Computed tomography, abdomen; axial view
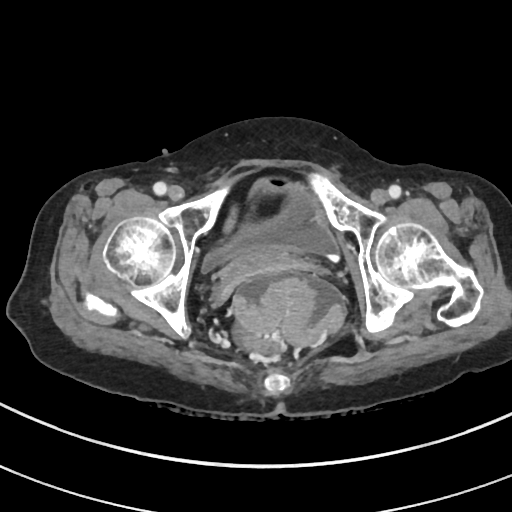 Boxes are (x1, y1, x2, y2) in pixels. Labeled organs on this slice: bladder at (201, 178, 339, 273), prostate/uterus at (224, 247, 296, 284).